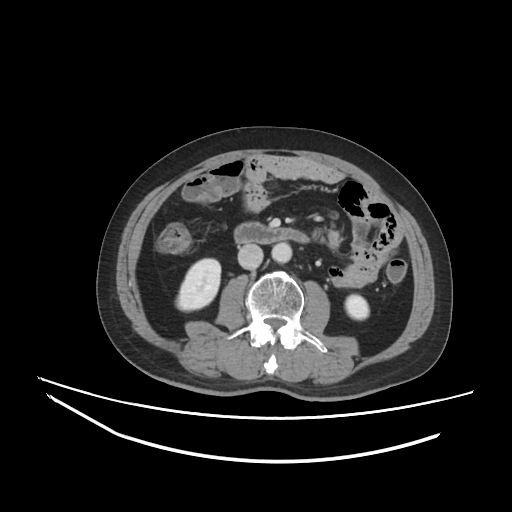 Abdominal CT · axial view · 15 organs annotated in this scan (a whole-scan count: organs this slice does not pass through have no box)
Boxes are (x1, y1, x2, y2) in pixels.
Organ bounding boxes:
- right kidney: (176, 258, 220, 310)
- inferior vena cava: (237, 244, 263, 269)
- left kidney: (345, 295, 369, 319)
- aorta: (271, 242, 292, 262)
- duodenum: (234, 222, 309, 243)